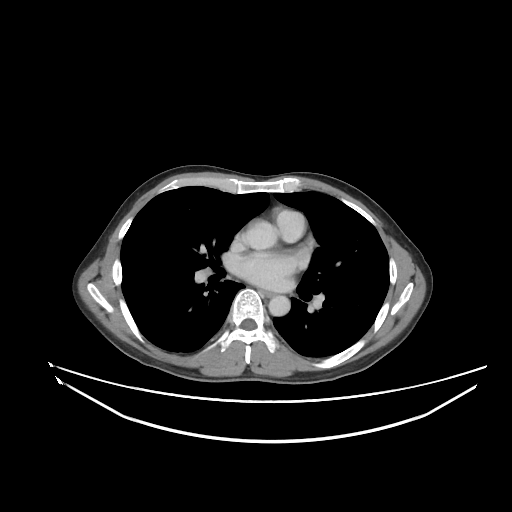 Chest-level CT slice, above the liver and spleen. axial view
On a slice this high in the chest, this dataset labels only the esophagus and the aorta, and each is boxed only where it is labeled; the heart, lungs and other chest structures are not labeled.
Box edges are left/top/right/bottom in pixels.
Organ bounding boxes:
- esophagus: left=260, top=290, right=273, bottom=297
- aorta: left=268, top=295, right=290, bottom=316